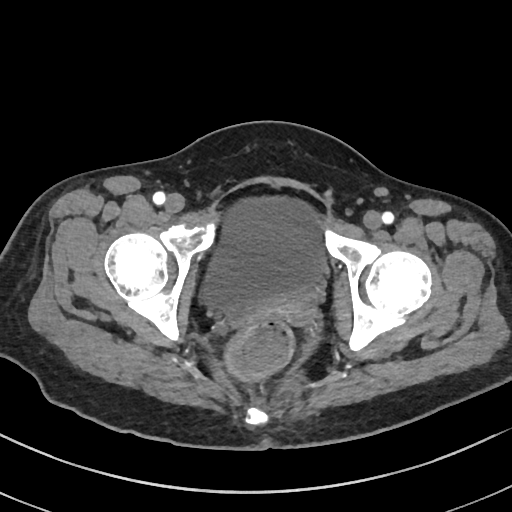
Abdominal CT · Axial slice 18/191 · W/L 400/40 HU · 512x512 px
Boxes: x1 y1 x2 y2 (pixel coords, space-separated).
bladder: 202 200 323 311
prostate/uterus: 280 293 317 328